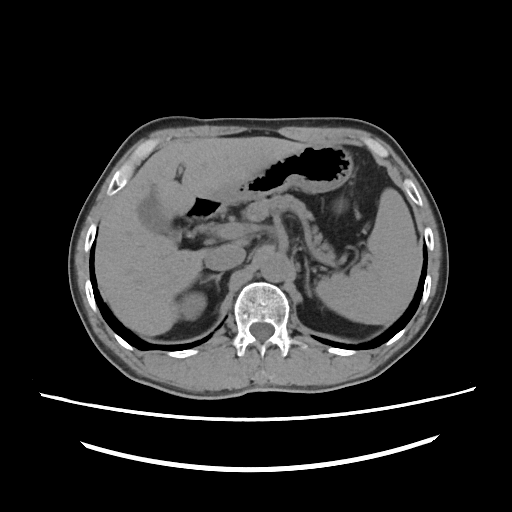 Computed tomography, abdomen — axial view — scan has 15 labeled organs (that count is for the whole scan; organs this slice misses have no box)
Box edges are left/top/right/bottom in pixels.
Organ bounding boxes:
- inferior vena cava: left=205, top=244, right=246, bottom=270
- liver: left=95, top=137, right=307, bottom=335
- spleen: left=316, top=188, right=420, bottom=323
- pancreas: left=243, top=194, right=334, bottom=258
- duodenum: left=185, top=196, right=224, bottom=223
- aorta: left=260, top=253, right=288, bottom=281
- right adrenal gland: left=205, top=272, right=222, bottom=286
- gall bladder: left=138, top=200, right=181, bottom=239
- left adrenal gland: left=305, top=261, right=311, bottom=295
- stomach: left=209, top=144, right=353, bottom=205
- right kidney: left=180, top=293, right=206, bottom=320